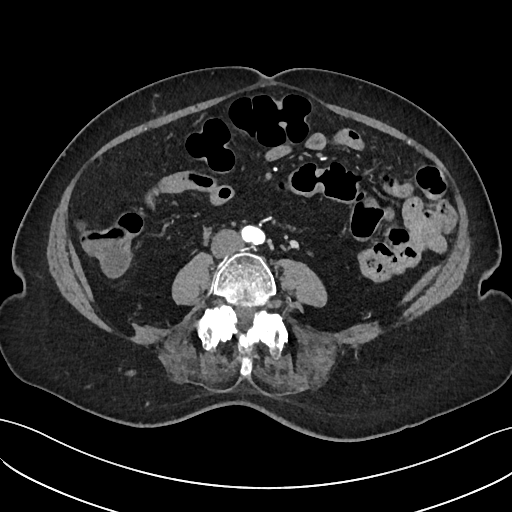 CT, abdomen/pelvis — axial view — W/L 400/40 HU — 512x512 px
Coordinates as <box>x1,y1,x2,y2</box> in pixels. Labeled organs on this slice: aorta at <box>241,225,265,244</box>, inferior vena cava at <box>211,229,241,256</box>.